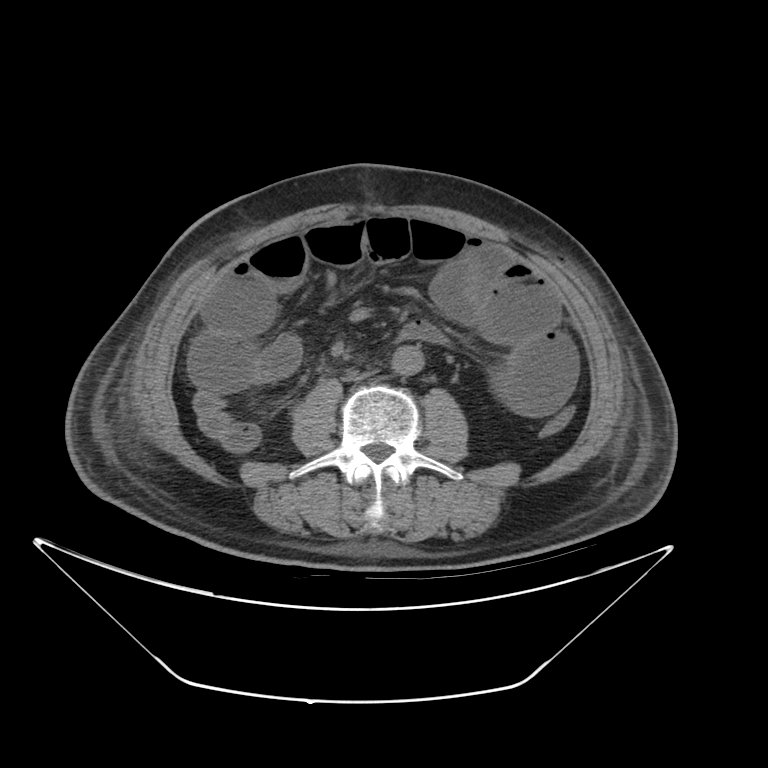

CT abdomen — Axial slice 51/99 — 66-year-old male patient — 15 organs annotated in this scan (counted over the whole 3D scan, not this slice; an organ is boxed only where this slice passes through it)
{"organs":{"aorta":[390,344,426,373],"inferior vena cava":[342,369,377,381]}}